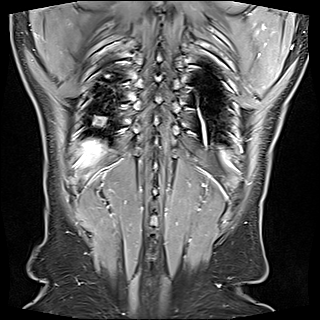
Magnetic resonance imaging, abdomen. coronal view. 1st–99th percentile window. 320x320 px. Prisma scanner
Bounding boxes in pixels, one row per box: x1, y1 is the top-left corner and x2, y2 the bottom-right.
| organ | x1 | y1 | x2 | y2 |
|---|---|---|---|---|
| liver | 81 | 140 | 103 | 163 |